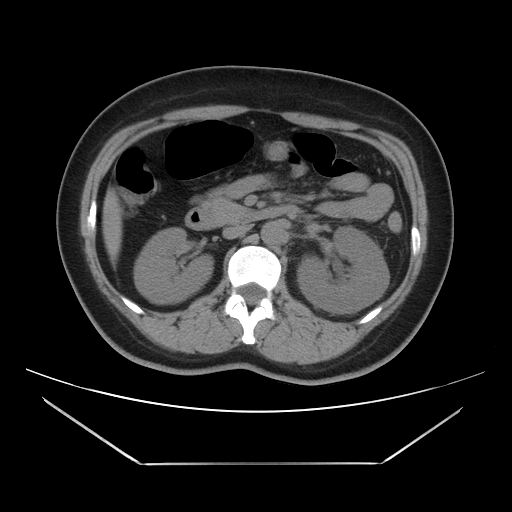

Computed tomography, abdomen. Axial slice 62/93
{"organs":{"inferior vena cava":[222,224,251,238],"pancreas":[203,198,251,224],"aorta":[261,221,285,245],"liver":[102,187,122,265],"duodenum":[185,204,300,229],"left kidney":[297,227,389,313],"right kidney":[134,227,213,303]}}